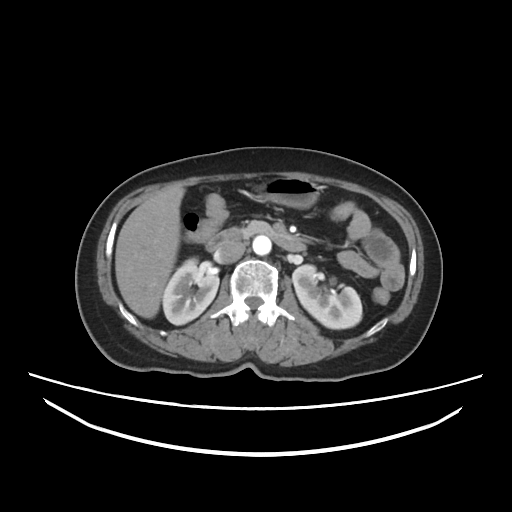 Abdominal CT. axial view. 512x512 px. Aquilion ONE scanner
Coordinates as <box>x1,y1,x2,y2</box> in pixels.
Organ bounding boxes:
- right kidney: <box>162,257,219,324</box>
- pancreas: <box>241,222,271,239</box>
- inferior vena cava: <box>216,240,247,263</box>
- stomach: <box>253,175,322,207</box>
- duodenum: <box>207,228,307,252</box>
- left kidney: <box>292,264,362,328</box>
- liver: <box>115,186,184,317</box>
- aorta: <box>253,236,271,254</box>